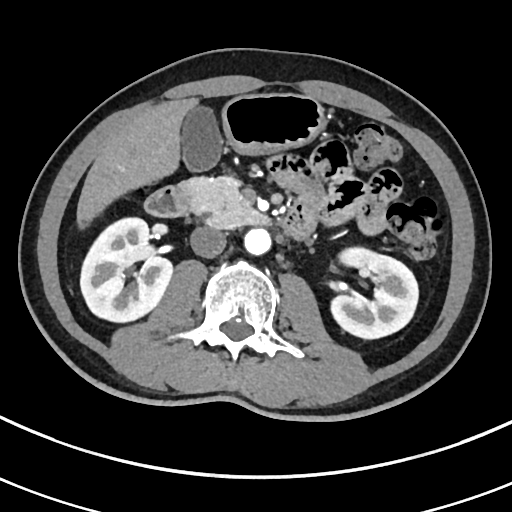
CT abdomen. axial view. SOMATOM Force scanner
Bounding boxes as [x1, y1, x2, y2] in pixel coordinates.
right kidney: [80, 217, 172, 322]
left kidney: [331, 247, 418, 338]
gall bladder: [181, 105, 222, 171]
liver: [77, 97, 197, 228]
stomach: [221, 93, 324, 154]
aorta: [243, 228, 270, 255]
inferior vena cava: [190, 227, 226, 257]
pancreas: [179, 176, 266, 228]
duodenum: [144, 186, 314, 239]